CT abdomen — axial view — soft-tissue window — 512x512 px
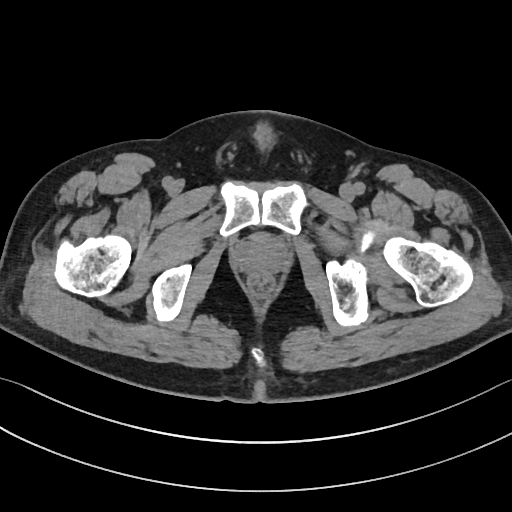

Coordinates as <box>x1,y1,x2,y2</box> in pixels. Labeled organs on this slice: prostate/uterus at <box>236,233,287,272</box>.